Chest-level slice from an abdominal CT that extends up into the chest; axial view; 512x512 px; SOMATOM Force scanner
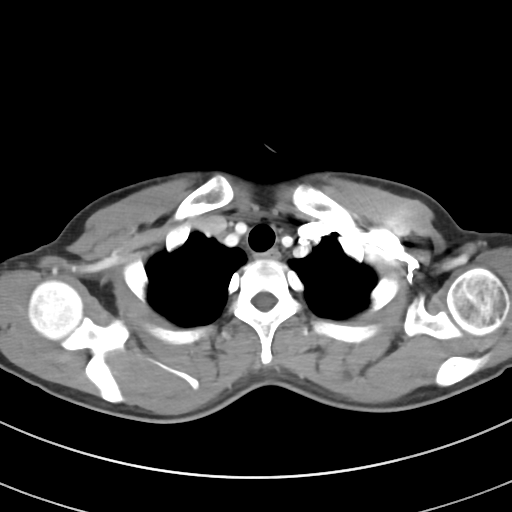 At this level of the chest this dataset labels only the esophagus and the aorta, and each is boxed only where it is labeled; the heart and lungs are never labeled.
Bounding boxes as [x1, y1, x2, y2] in pixel coordinates.
esophagus: [253, 248, 280, 258]